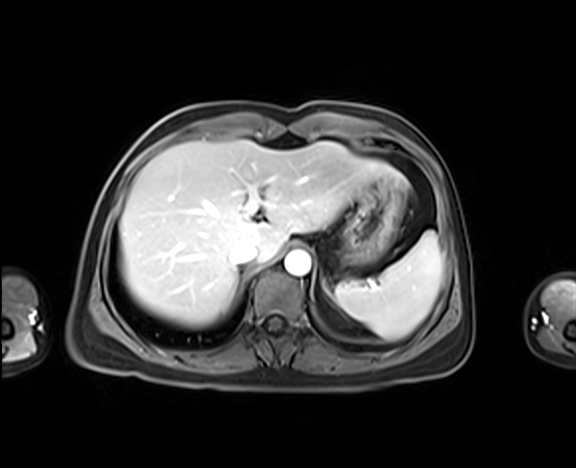

Abdominal MR · axial view
Each box given as x1,y1,x2,y2.
spleen: x1=334, y1=231, x2=442, y2=339
liver: x1=119, y1=140, x2=404, y2=327
stomach: x1=344, y1=174, x2=405, y2=262
aorta: x1=285, y1=251, x2=310, y2=275
inferior vena cava: x1=230, y1=243, x2=257, y2=266
left adrenal gland: x1=321, y1=275, x2=331, y2=294